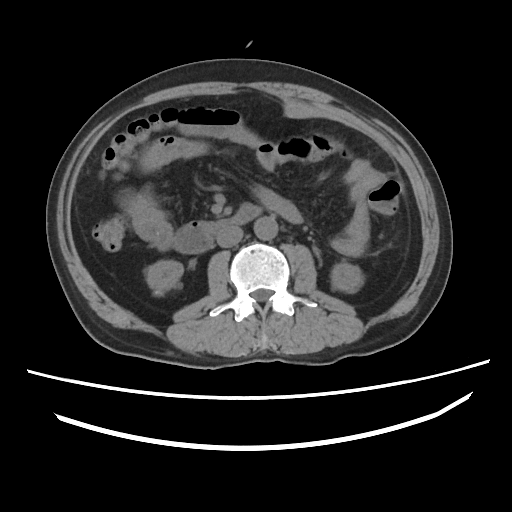
CT abdomen. axial view. soft-tissue window (W 400 / L 40). 48-year-old male patient. scan has 15 labeled organs (a whole-scan count: organs this slice does not pass through have no box)
Bounding boxes in pixels, one row per box: x1, y1 is the top-left corner and x2, y2 the bottom-right.
| organ | x1 | y1 | x2 | y2 |
|---|---|---|---|---|
| right kidney | 147 | 260 | 183 | 295 |
| left kidney | 331 | 262 | 363 | 292 |
| aorta | 254 | 216 | 277 | 240 |
| inferior vena cava | 216 | 226 | 242 | 247 |
| duodenum | 173 | 203 | 262 | 253 |